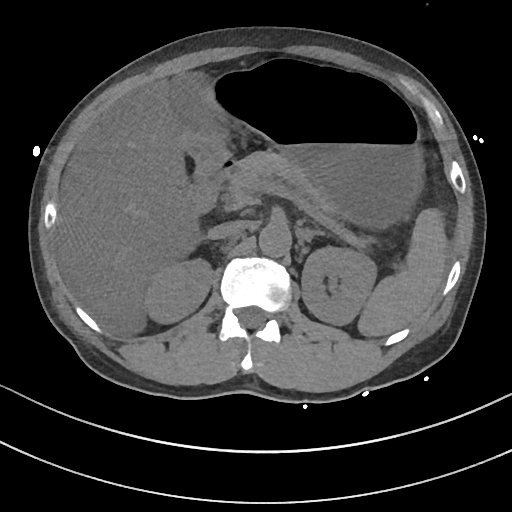

CT abdomen. axial view. soft-tissue window (W 400 / L 40). 512x512 px. SOMATOM Force scanner
Bounding boxes as [x1, y1, x2, y2] in pixel coordinates. The annotated organs in this slice are: spleen at [358, 208, 447, 336], right kidney at [142, 257, 212, 323], left kidney at [302, 246, 377, 325], gall bladder at [169, 69, 218, 135], liver at [57, 80, 197, 331], stomach at [178, 59, 422, 224], aorta at [259, 222, 291, 256], inferior vena cava at [207, 220, 247, 239], pancreas at [222, 151, 346, 222], left adrenal gland at [300, 227, 325, 239], duodenum at [183, 158, 233, 217].